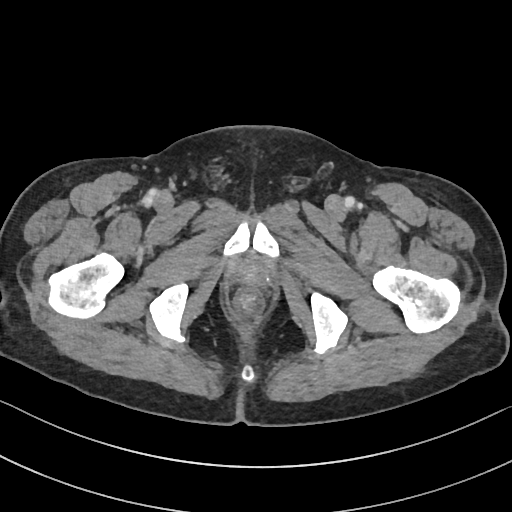

Abdominal CT · axial view · soft-tissue window
Boxes: x1 y1 x2 y2 (pixel coords, space-separated).
prostate/uterus: 235 261 266 284